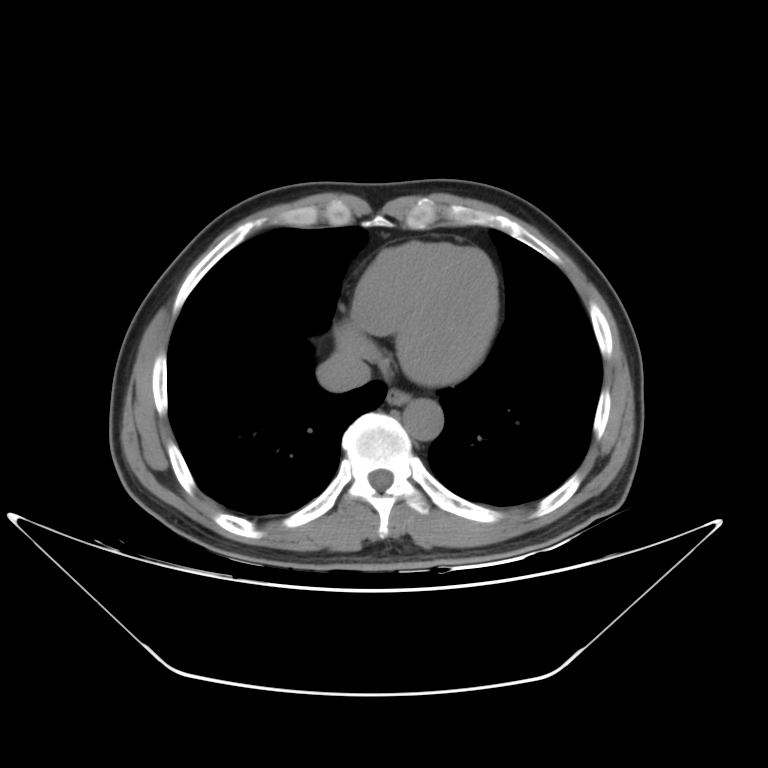 Lower-chest slice from an abdominal CT, just above the liver and spleen. axial plane, index 98. soft-tissue window. 15 organs annotated in this scan (a whole-scan count: organs this slice does not pass through have no box)
No part of the heart or lungs is labeled in this dataset, so neither has a box here.
<organs><organ name="esophagus" x1="388" y1="388" x2="410" y2="405"/><organ name="aorta" x1="403" y1="398" x2="443" y2="441"/><organ name="inferior vena cava" x1="318" y1="350" x2="369" y2="392"/></organs>